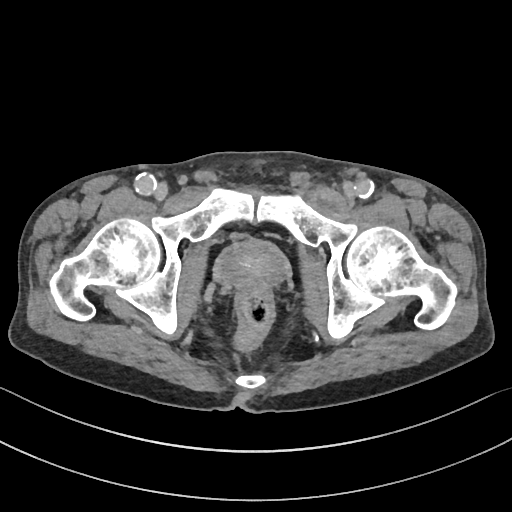 Abdominal CT — axial plane, index 30
Box edges are left/top/right/bottom in pixels.
Organ bounding boxes:
- prostate/uterus: left=220, top=244, right=285, bottom=289